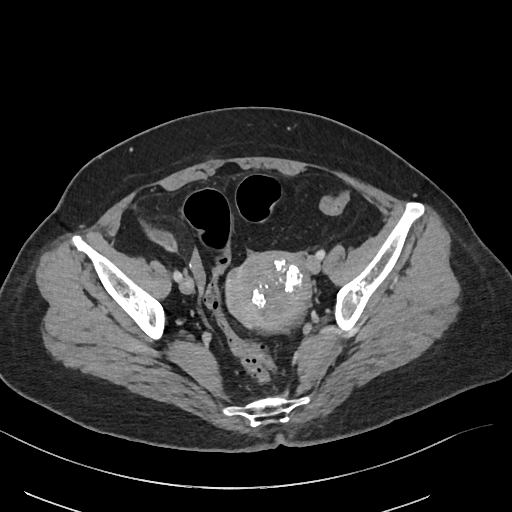
CT, abdomen/pelvis — Axial slice 60/244 — W/L 400/40 HU
Coordinates as <box>x1,y1,x2,y2</box> in pixels.
prostate/uterus: <box>224,251,311,333</box>